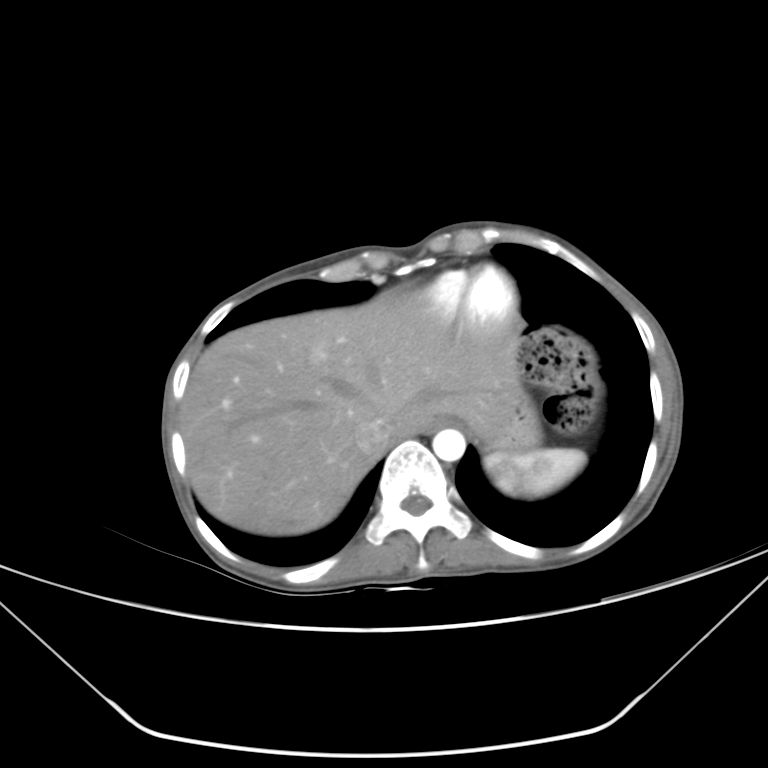 CT abdomen · axial view
Box edges are left/top/right/bottom in pixels.
Organ bounding boxes:
- spleen: left=484, top=448, right=585, bottom=495
- esophagus: left=430, top=415, right=454, bottom=427
- liver: left=181, top=292, right=522, bottom=535
- stomach: left=478, top=392, right=540, bottom=452
- aorta: left=432, top=428, right=465, bottom=461
- inferior vena cava: left=354, top=416, right=395, bottom=454